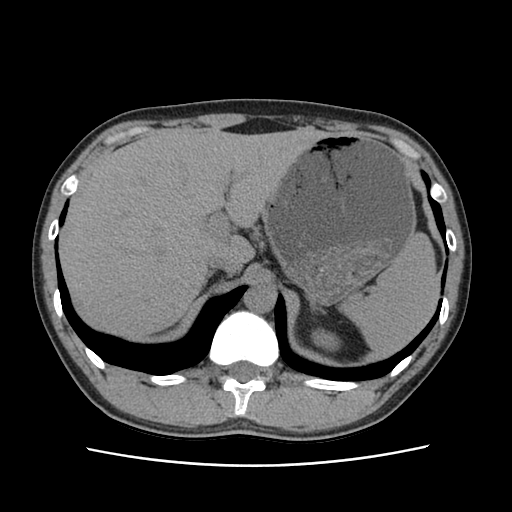
Abdominal CT. Axial slice 140/167. W/L 400/40 HU. SOMATOM Force scanner
<organs><organ name="spleen" x1="343" y1="232" x2="438" y2="353"/><organ name="left kidney" x1="312" y1="330" x2="336" y2="347"/><organ name="liver" x1="61" y1="130" x2="327" y2="335"/><organ name="stomach" x1="263" y1="133" x2="415" y2="305"/><organ name="aorta" x1="243" y1="284" x2="275" y2="313"/><organ name="inferior vena cava" x1="206" y1="248" x2="242" y2="275"/></organs>